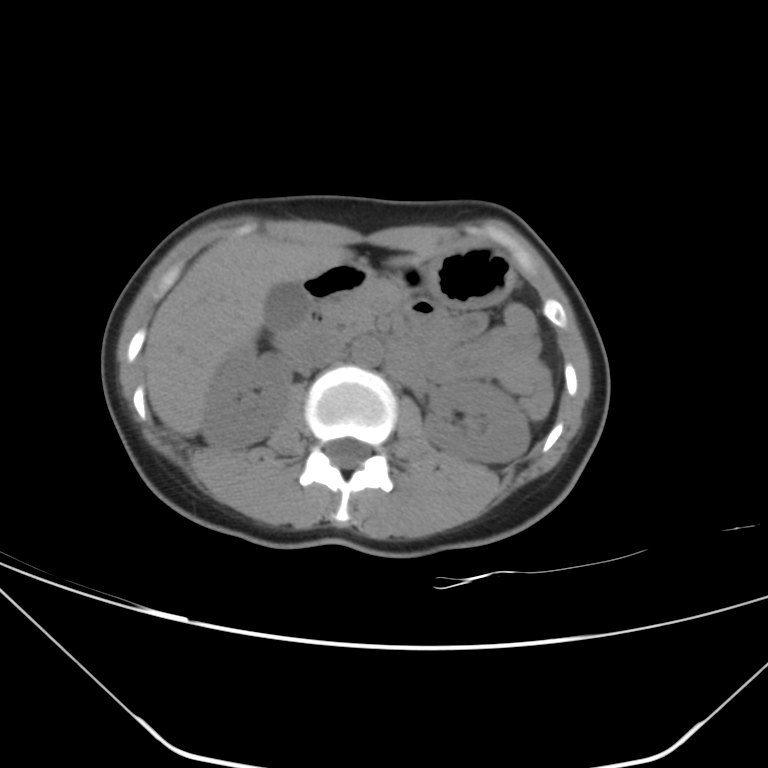

Abdominal CT · Axial slice 52/68 · soft-tissue window
Bounding boxes as [x1, y1, x2, y2] in pixel coordinates.
Organ bounding boxes:
- right kidney: [202, 347, 291, 449]
- left kidney: [425, 380, 529, 462]
- gall bladder: [266, 281, 310, 329]
- liver: [145, 235, 429, 436]
- stomach: [393, 243, 515, 306]
- aorta: [352, 338, 382, 367]
- inferior vena cava: [285, 333, 346, 368]
- pancreas: [330, 278, 406, 332]
- duodenum: [278, 260, 372, 339]